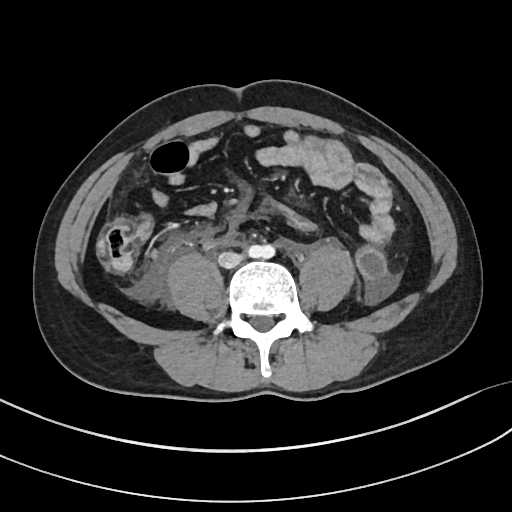
Abdominal CT. axial view. W/L 400/40 HU
<organs><organ name="inferior vena cava" x1="219" y1="251" x2="243" y2="267"/><organ name="aorta" x1="249" y1="244" x2="273" y2="259"/></organs>